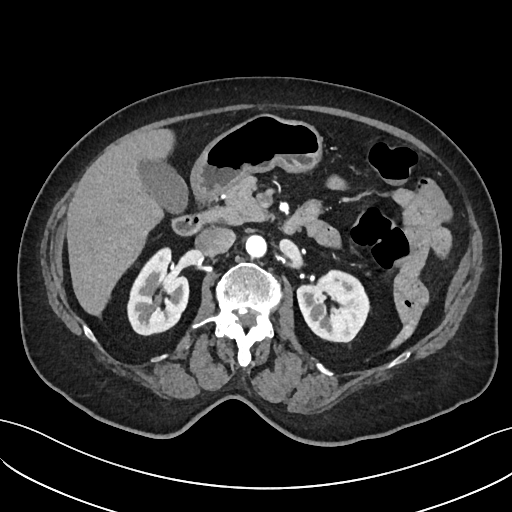
CT abdomen · axial view · 15 organs annotated in this scan (counted over the whole 3D scan, not this slice; an organ is boxed only where this slice passes through it)
Organ boxes in pixel coordinates; each row gives the top-left (x1, y1) and bottom-right (x2, y2) corners.
| organ | x1 | y1 | x2 | y2 |
|---|---|---|---|---|
| spleen | 389 | 314 | 420 | 347 |
| right kidney | 128 | 247 | 189 | 335 |
| left kidney | 297 | 270 | 368 | 342 |
| gall bladder | 140 | 163 | 188 | 214 |
| liver | 67 | 128 | 173 | 313 |
| stomach | 190 | 115 | 319 | 202 |
| aorta | 246 | 235 | 267 | 258 |
| inferior vena cava | 194 | 228 | 235 | 255 |
| pancreas | 200 | 176 | 266 | 225 |
| duodenum | 173 | 208 | 309 | 236 |